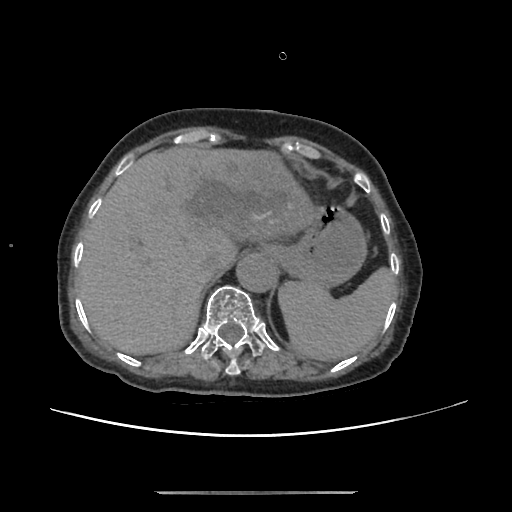

Computed tomography, abdomen — axial plane, index 286 — W/L 400/40 HU — acquired on SOMATOM Force
Boxes: x1:y1:x2:y2 in pixels.
inferior vena cava: 201:251:222:273
aorta: 236:254:277:292
liver: 78:146:317:354
stomach: 264:205:366:287
spleen: 278:267:396:361